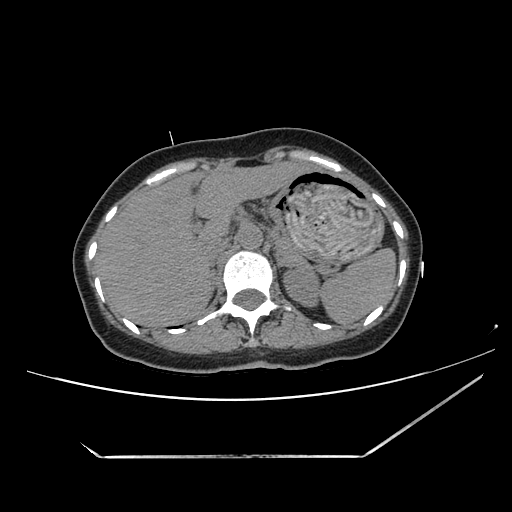

CT, abdomen/pelvis · Axial slice 113/143 · 512x512 px · SOMATOM Force scanner
{"organs":{"spleen":[320,248,395,324],"left kidney":[283,268,320,306],"liver":[96,161,313,326],"stomach":[268,170,383,261],"aorta":[237,225,262,249],"inferior vena cava":[204,238,229,265],"pancreas":[276,234,308,267],"right adrenal gland":[210,270,216,286],"left adrenal gland":[276,254,289,267]}}